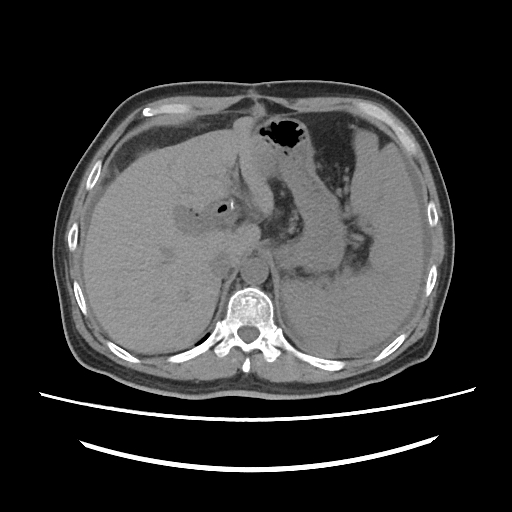 CT, abdomen/pelvis — axial view — Aquilion ONE scanner
Boxes: x1 y1 x2 y2 (pixel coords, space-separated). Labeled organs on this slice: spleen at 281 131 423 352, liver at 82 117 273 353, stomach at 253 116 345 273, aorta at 241 258 268 284, inferior vena cava at 210 250 234 277.